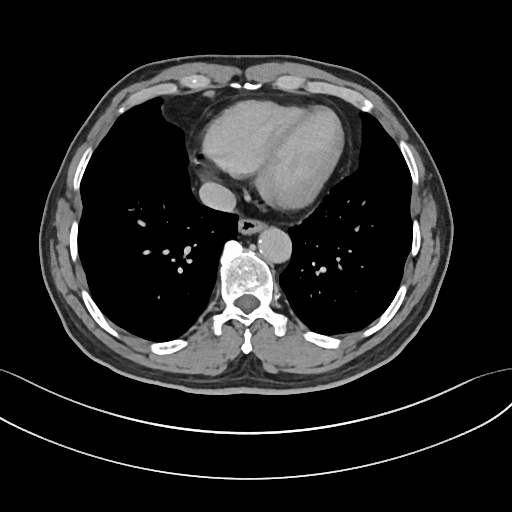

Abdominal CT; this slice is in the lower chest, just above the liver — axial view — acquired on SOMATOM Force — scan has 15 labeled organs (that count is for the whole scan; organs this slice misses have no box)
Of the structures in the chest, this dataset labels only the esophagus, the aorta and the inferior vena cava; the heart and lungs have no label.
<organs><organ name="esophagus" x1="237" y1="218" x2="265" y2="235"/><organ name="aorta" x1="258" y1="228" x2="292" y2="263"/><organ name="inferior vena cava" x1="199" y1="182" x2="235" y2="212"/></organs>